CT, abdomen/pelvis — axial view — W/L 400/40 HU
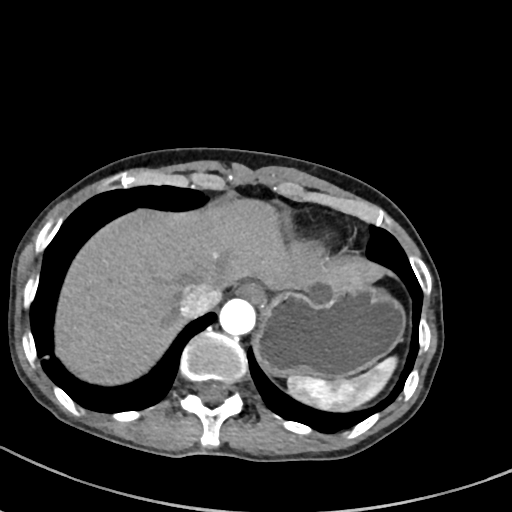 Boxes are (x1, y1, x2, y2) in pixels.
liver: (56, 199, 388, 384)
esophagus: (237, 281, 264, 302)
spleen: (288, 357, 396, 410)
stomach: (253, 284, 405, 380)
aorta: (219, 298, 255, 336)
inferior vena cava: (180, 283, 221, 317)